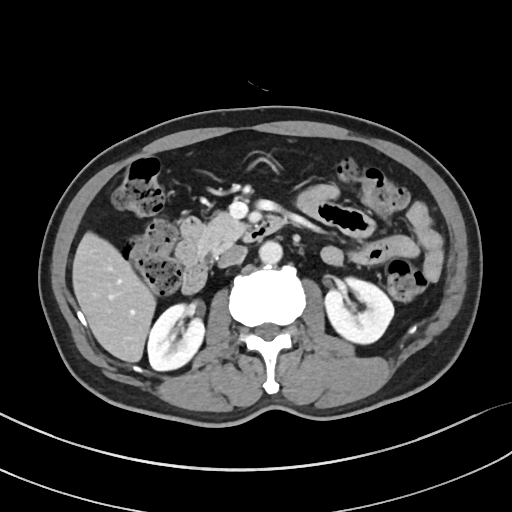 Computed tomography, abdomen; axial view
Organ boxes in pixel coordinates; each row gives the top-left (x1, y1) and bottom-right (x2, y2) corners.
| organ | x1 | y1 | x2 | y2 |
|---|---|---|---|---|
| right kidney | 147 | 304 | 204 | 370 |
| left kidney | 324 | 277 | 394 | 343 |
| liver | 72 | 232 | 155 | 362 |
| aorta | 259 | 240 | 282 | 263 |
| inferior vena cava | 218 | 245 | 247 | 267 |
| pancreas | 197 | 212 | 246 | 256 |
| duodenum | 176 | 216 | 284 | 293 |